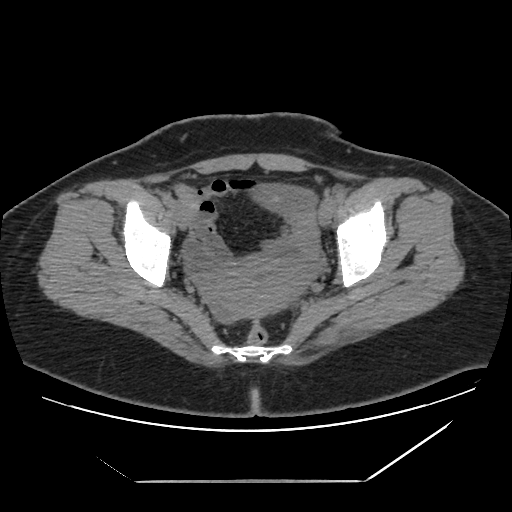
CT abdomen; Axial slice 54/345; 512x512 px
<organs><organ name="prostate/uterus" x1="206" y1="259" x2="303" y2="317"/></organs>